Chest-level CT slice, above the liver and spleen; axial plane, index 241; 512x512 px
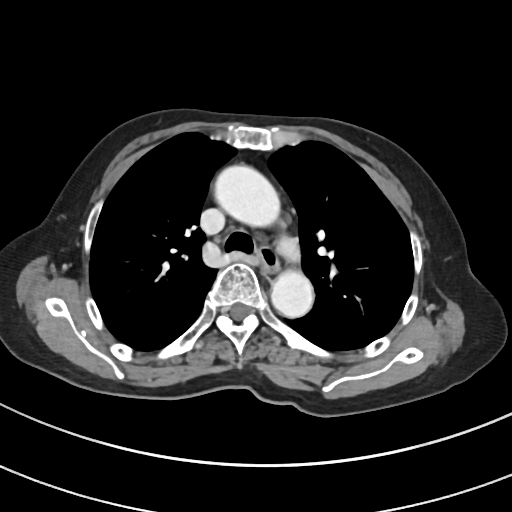 At this level of the chest this dataset labels only the esophagus and the aorta, and each is boxed only where it is labeled; the heart and lungs are never labeled.
{"organs":{"aorta":[[212,164,277,224],[271,274,313,318]],"esophagus":[261,250,279,275]}}